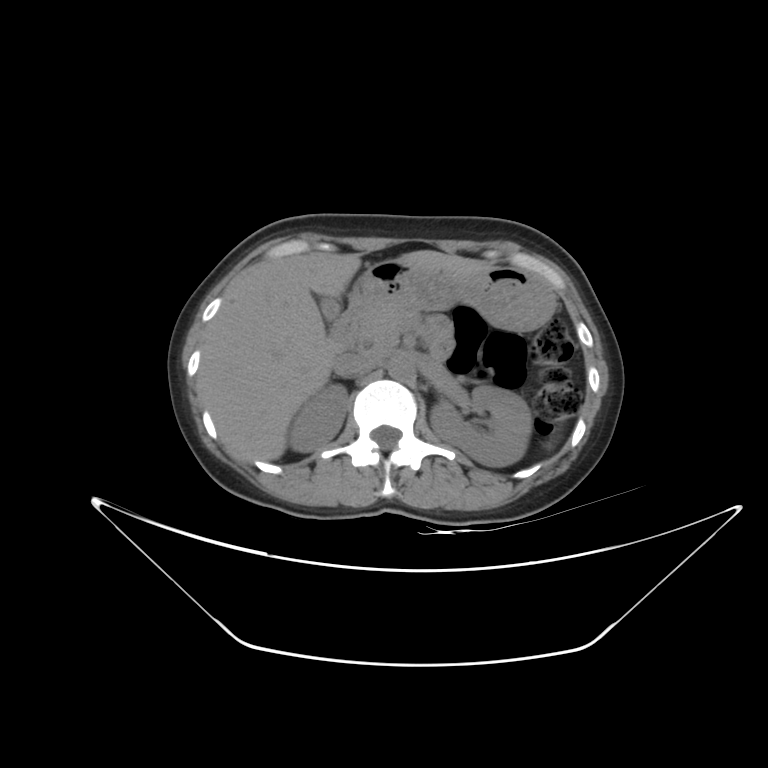

Computed tomography, abdomen. axial plane, index 66. soft-tissue window. 38-year-old female patient. acquired on Brilliance16
Each box given as x1,y1,x2,y2.
Organ bounding boxes:
- right kidney: x1=289, y1=383, x2=347, y2=452
- left kidney: x1=430, y1=386, x2=531, y2=467
- gall bladder: x1=320, y1=298, x2=340, y2=321
- liver: x1=199, y1=250, x2=487, y2=462
- stomach: x1=353, y1=261, x2=553, y2=331
- aorta: x1=387, y1=355, x2=414, y2=380
- inferior vena cava: x1=333, y1=350, x2=384, y2=378
- pancreas: x1=357, y1=303, x2=423, y2=351
- duodenum: x1=330, y1=294, x2=365, y2=349